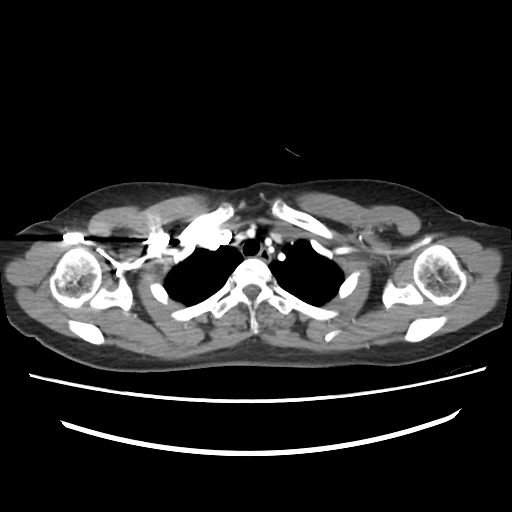
CT of the abdomen extending into the chest, slice through the chest · axial view · Aquilion ONE scanner
At this level of the chest no structure but the esophagus and the aorta has a label in this dataset, and those two are boxed only where they are labeled. Boxes are (x1, y1, x2, y2) in pixels. The annotated organs in this slice are: esophagus at (257, 248, 271, 262).